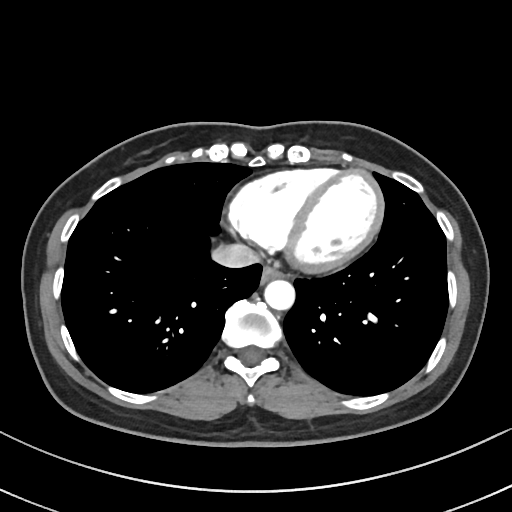

CT of the abdomen reaching into the lower chest, slice just above the liver and spleen. axial view. soft-tissue window (W 400 / L 40). 512x512 px. 15 organs annotated in this scan (a whole-scan count: organs this slice does not pass through have no box)
The heart and lungs are never labeled in this dataset, so they have no box on this slice. Bounding boxes as [x1, y1, x2, y2] in pixel coordinates. The annotated organs in this slice are: inferior vena cava at [212, 243, 260, 268], esophagus at [260, 266, 283, 283], aorta at [264, 279, 295, 310].